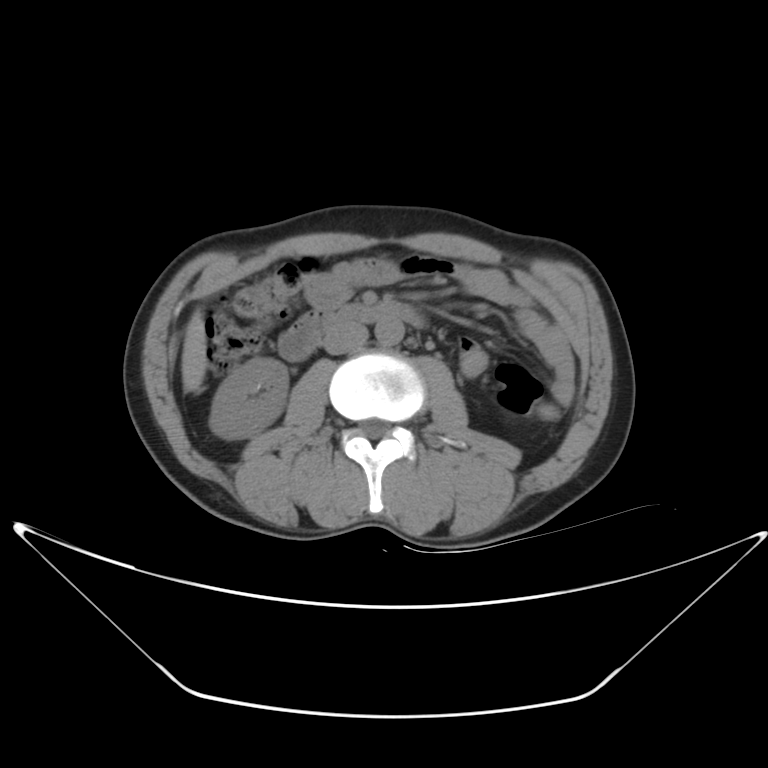 CT, abdomen/pelvis. Axial slice 58/93. W/L 400/40 HU
<organs><organ name="right kidney" x1="210" y1="357" x2="288" y2="437"/><organ name="liver" x1="181" y1="311" x2="207" y2="391"/><organ name="aorta" x1="376" y1="315" x2="405" y2="345"/><organ name="inferior vena cava" x1="324" y1="323" x2="369" y2="353"/><organ name="duodenum" x1="277" y1="299" x2="424" y2="361"/></organs>